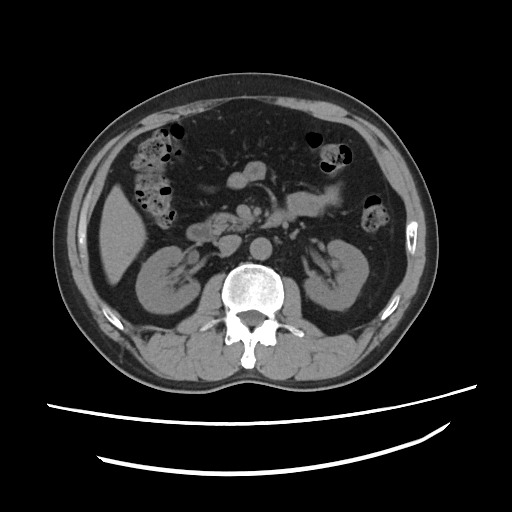

CT, abdomen/pelvis — axial plane, index 61 — 45-year-old male patient — Aquilion ONE scanner
Coordinates as <box>x1,y1,x2,y2</box> in pixels. 7 labeled organs on this slice — duodenum at <box>188,209,283,241</box>; left kidney at <box>304,240,367,310</box>; inferior vena cava at <box>216,234,240,254</box>; right kidney at <box>136,246,201,312</box>; aorta at <box>249,236,271,260</box>; liver at <box>99,184,146,283</box>; pancreas at <box>206,213,250,233</box>.